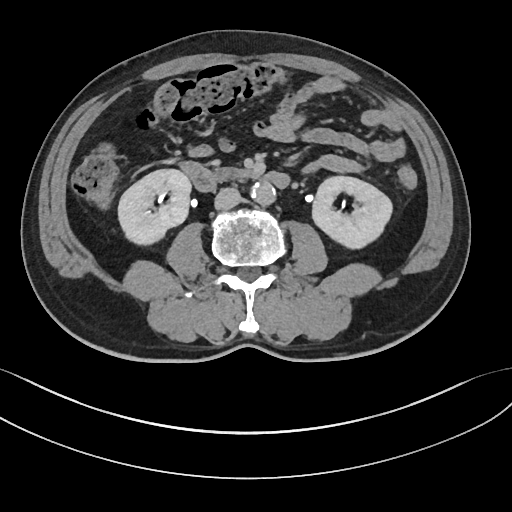
CT, abdomen/pelvis · axial plane, index 129 · acquired on SOMATOM Force · scan has 15 labeled organs (that count is for the whole scan; organs this slice misses have no box)
One row per box, in pixels: columns x1 and y1 give the top-left corner, x2 and y2 the bottom-right.
| organ | x1 | y1 | x2 | y2 |
|---|---|---|---|---|
| right kidney | 118 | 169 | 191 | 243 |
| duodenum | 177 | 160 | 291 | 191 |
| inferior vena cava | 215 | 188 | 241 | 210 |
| aorta | 253 | 183 | 276 | 206 |
| pancreas | 219 | 167 | 253 | 179 |
| left kidney | 311 | 177 | 393 | 248 |